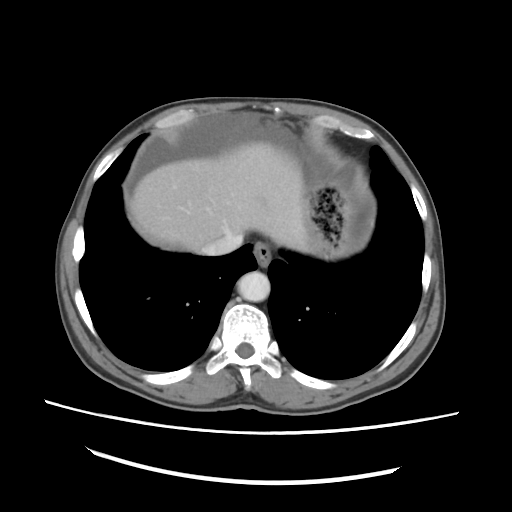
CT, abdomen/pelvis · Axial slice 71/112 · W/L 400/40 HU · 512x512 px · Aquilion ONE scanner
Bounding boxes as [x1, y1, x2, y2] in pixel coordinates.
esophagus: [253, 242, 271, 266]
liver: [130, 141, 311, 252]
stomach: [308, 180, 355, 258]
aorta: [237, 271, 270, 301]
inferior vena cava: [200, 233, 243, 255]